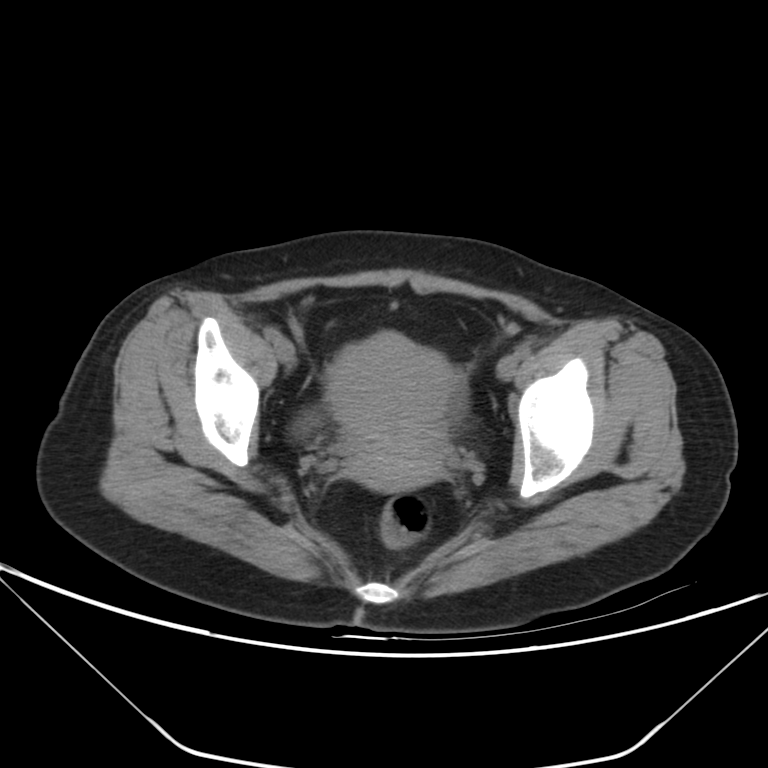

Abdominal CT · axial view · W/L 400/40 HU
Bounding boxes as [x1, y1, x2, y2] in pixel coordinates. 2 labeled organs on this slice — bladder at [293, 409, 318, 437]; prostate/uterus at [326, 330, 462, 492].